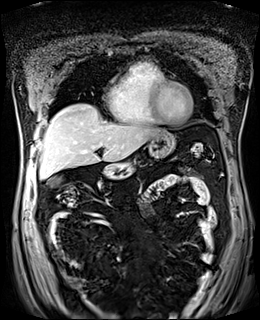 Magnetic resonance imaging, abdomen. coronal plane, index 104. 1st–99th percentile window. 260x320 px. acquired on Prisma
Boxes are (x1, y1, x2, y2) in pixels.
Organ bounding boxes:
- gall bladder: (48, 177, 61, 186)
- liver: (40, 104, 163, 178)
- stomach: (101, 131, 175, 179)